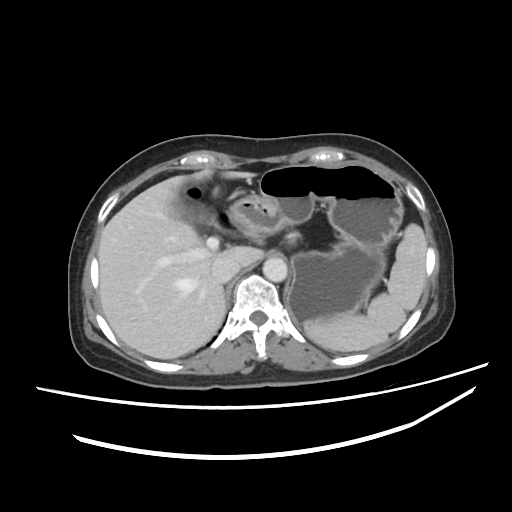 Computed tomography, abdomen — axial plane, index 74 — Aquilion ONE scanner
<organs><organ name="spleen" x1="304" y1="223" x2="426" y2="351"/><organ name="liver" x1="98" y1="171" x2="263" y2="358"/><organ name="stomach" x1="226" y1="162" x2="403" y2="323"/><organ name="aorta" x1="262" y1="257" x2="287" y2="281"/><organ name="inferior vena cava" x1="211" y1="257" x2="240" y2="282"/><organ name="duodenum" x1="221" y1="226" x2="226" y2="228"/></organs>